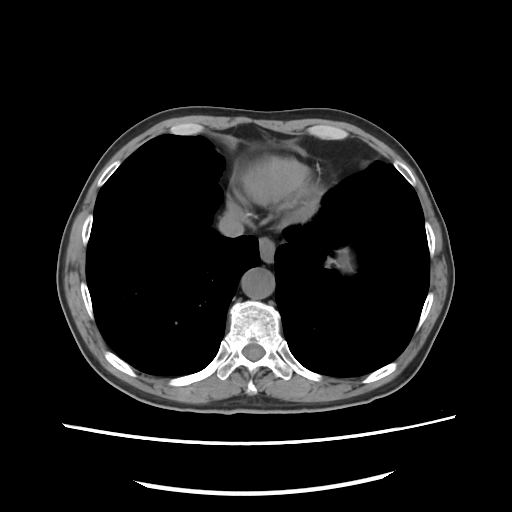
CT abdomen; axial view; abdomen soft-tissue window; 512x512 px; acquired on Aquilion ONE; 15 organs annotated in this scan (a whole-scan count: organs this slice does not pass through have no box)
Boxes: x1:y1:x2:y2 in pixels.
esophagus: 259:237:274:262
stomach: 333:250:351:270
aorta: 241:268:274:299
inferior vena cava: 218:212:244:237